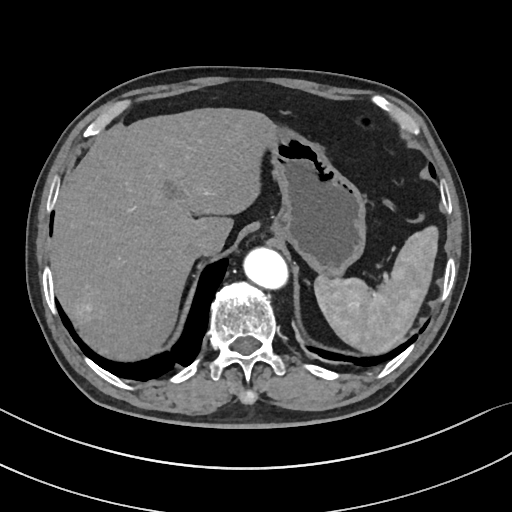

CT, abdomen/pelvis; axial plane, index 183; W/L 400/40 HU
<organs><organ name="spleen" x1="314" y1="227" x2="437" y2="352"/><organ name="liver" x1="52" y1="109" x2="277" y2="357"/><organ name="stomach" x1="268" y1="132" x2="366" y2="277"/><organ name="aorta" x1="245" y1="248" x2="289" y2="290"/><organ name="inferior vena cava" x1="183" y1="233" x2="208" y2="255"/></organs>